Computed tomography, abdomen. axial view. W/L 400/40 HU. 512x512 px
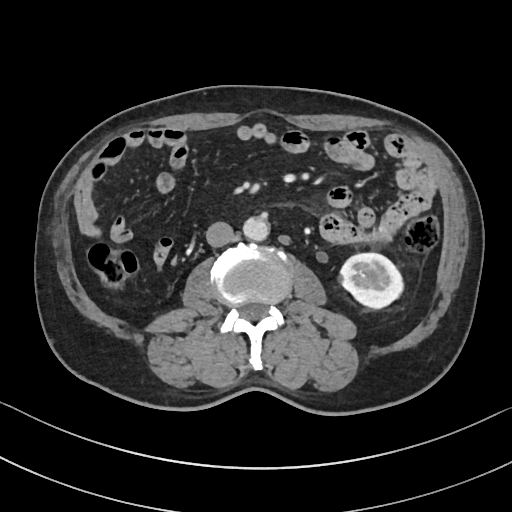

<organs><organ name="left kidney" x1="337" y1="253" x2="404" y2="309"/><organ name="aorta" x1="243" y1="217" x2="269" y2="241"/><organ name="inferior vena cava" x1="206" y1="222" x2="234" y2="247"/></organs>